CT, abdomen/pelvis. axial view
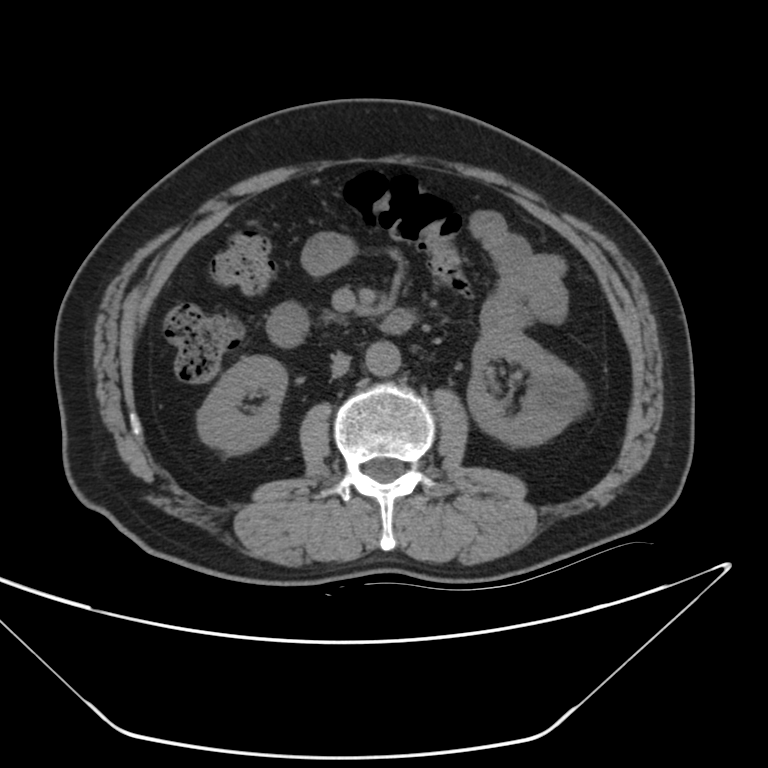

<organs><organ name="right kidney" x1="196" y1="356" x2="285" y2="457"/><organ name="left kidney" x1="467" y1="328" x2="583" y2="444"/><organ name="aorta" x1="366" y1="342" x2="399" y2="375"/><organ name="inferior vena cava" x1="332" y1="354" x2="349" y2="378"/><organ name="duodenum" x1="268" y1="305" x2="412" y2="345"/></organs>